Abdominal MR. axial view. 576x468 px. acquired on Prisma. scan has 13 labeled organs (a whole-scan count: organs this slice does not pass through have no box)
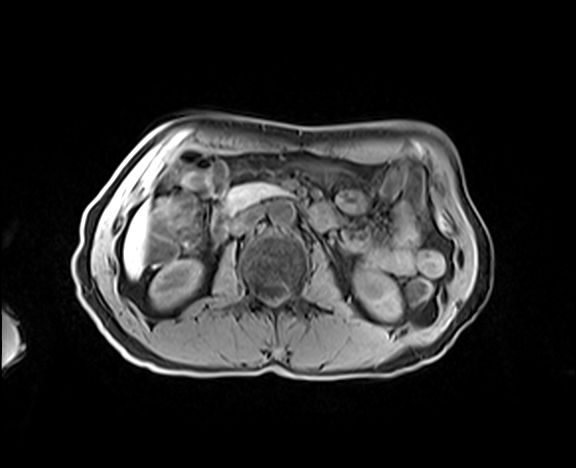

<organs><organ name="right kidney" x1="150" y1="259" x2="202" y2="308"/><organ name="left kidney" x1="354" y1="266" x2="400" y2="319"/><organ name="liver" x1="124" y1="205" x2="148" y2="278"/><organ name="aorta" x1="269" y1="200" x2="295" y2="225"/><organ name="inferior vena cava" x1="229" y1="206" x2="263" y2="234"/><organ name="pancreas" x1="223" y1="182" x2="290" y2="213"/><organ name="duodenum" x1="211" y1="208" x2="230" y2="241"/></organs>